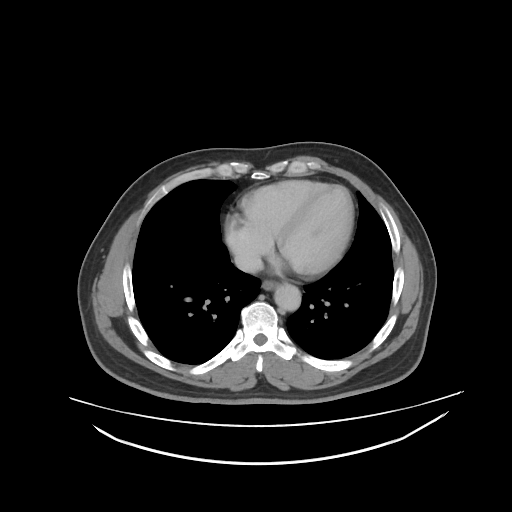
Abdominal CT; this slice is in the lower chest, just above the liver. axial view. 512x512 px. acquired on Aquilion ONE
No part of the heart or lungs is labeled in this dataset, so neither has a box here.
Boxes are (x1, y1, x2, y2) in pixels.
esophagus: (262, 279, 277, 290)
aorta: (273, 284, 300, 310)
inferior vena cava: (234, 252, 262, 273)